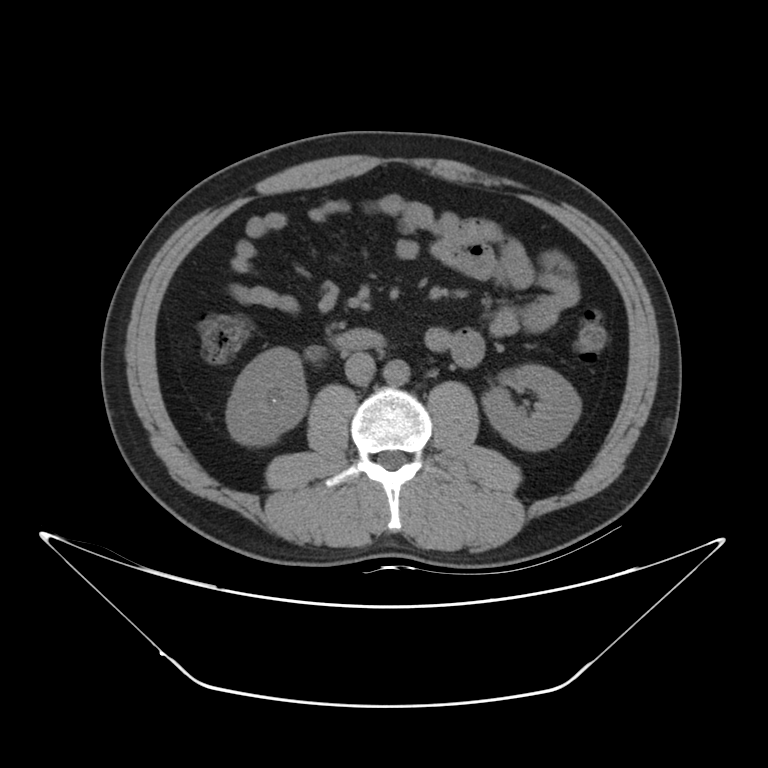
CT, abdomen/pelvis; axial view; soft-tissue window; 768x768 px
{"organs":{"duodenum":[333,329,385,349],"right kidney":[226,347,306,445],"left kidney":[482,364,580,451],"aorta":[383,359,409,385],"inferior vena cava":[345,351,375,385]}}